CT, abdomen/pelvis. axial plane, index 37. Aquilion ONE scanner
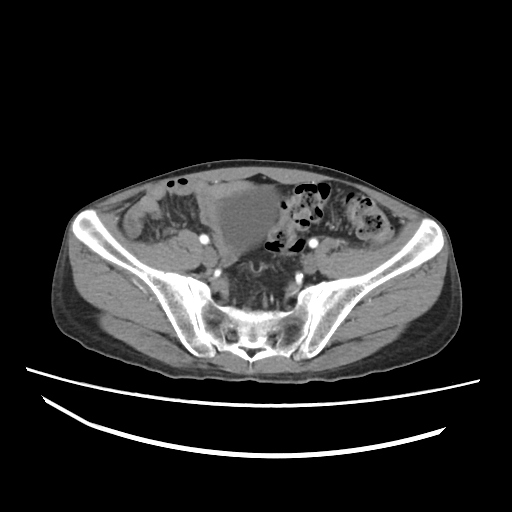 Coordinates as <box>x1,y1,x2,y2</box> in pixels.
bladder: <box>216,187,278,250</box>